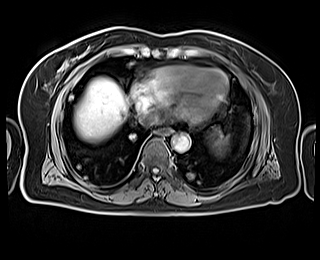 MRI, abdomen — axial view — percentile-normalized
Each box given as x1,y1,x2,y2.
inferior vena cava: x1=138, y1=112, x2=156, y2=125
esophagus: x1=157, y1=128, x2=171, y2=135
liver: x1=74, y1=78, x2=127, y2=142
aorta: x1=172, y1=134, x2=190, y2=152
spleen: x1=212, y1=135, x2=228, y2=152